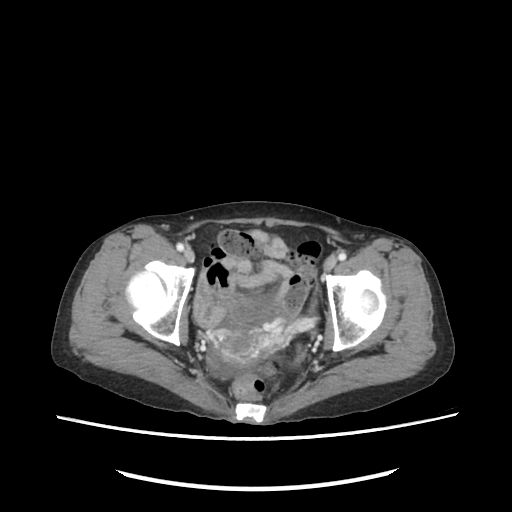 Abdominal CT. Axial slice 23/124. Aquilion ONE scanner
{"organs":{"prostate/uterus":[214,331,270,365]}}